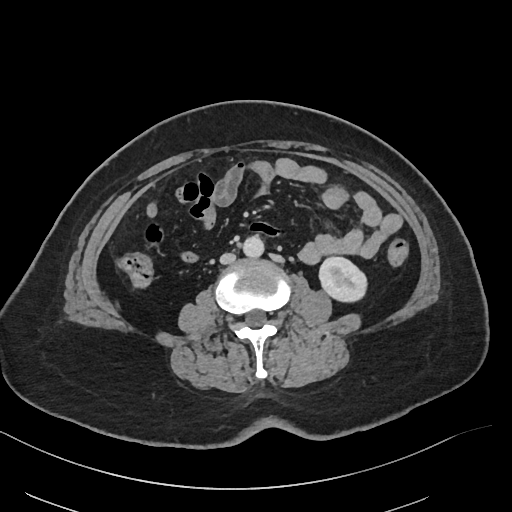

Abdominal CT. axial plane, index 126. soft-tissue window (W 400 / L 40). 512x512 px. SOMATOM Force scanner
One row per box, in pixels: columns x1 and y1 give the top-left corner, x2 and y2 the bottom-right.
| organ | x1 | y1 | x2 | y2 |
|---|---|---|---|---|
| left kidney | 319 | 256 | 366 | 301 |
| aorta | 243 | 235 | 264 | 257 |
| inferior vena cava | 220 | 253 | 235 | 263 |